MRI, abdomen · axial view · 320x260 px · 13 organs annotated in this scan (counted over the whole 3D scan, not this slice; an organ is boxed only where this slice passes through it)
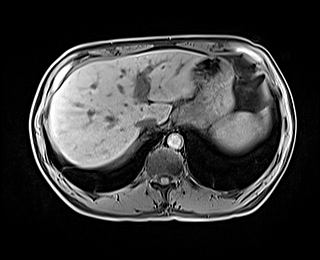
Box edges are left/top/right/bottom in pixels.
spleen: left=213, top=112, right=260, bottom=151
inferior vena cava: left=137, top=117, right=156, bottom=130
stomach: left=176, top=56, right=233, bottom=127
liver: left=48, top=49, right=204, bottom=167
aorta: left=167, top=133, right=182, bottom=148